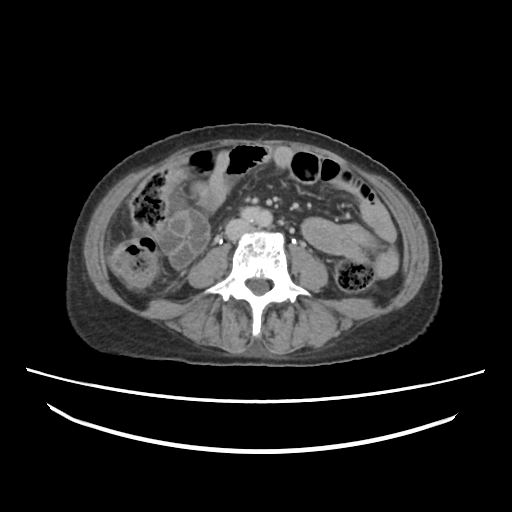
Computed tomography, abdomen; axial view; 71-year-old female patient
Organ boxes in pixel coordinates; each row gives the top-left (x1, y1) and bottom-right (x2, y2) corners.
| organ | x1 | y1 | x2 | y2 |
|---|---|---|---|---|
| inferior vena cava | 224 | 217 | 252 | 239 |
| aorta | 241 | 206 | 271 | 226 |